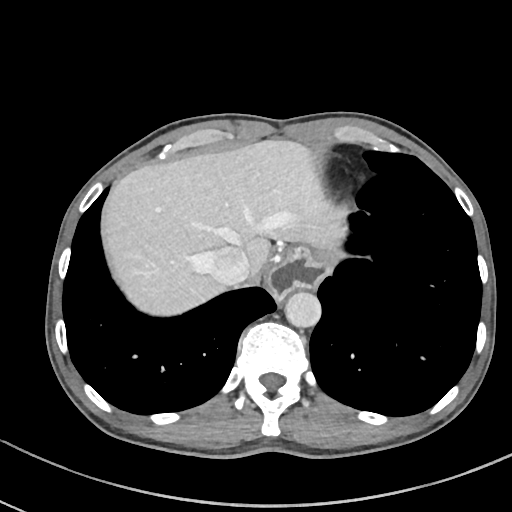

Computed tomography, abdomen; axial view
{"organs":{"liver":[106,140,348,316],"stomach":[270,247,323,294],"aorta":[284,291,320,327],"inferior vena cava":[208,247,250,286]}}